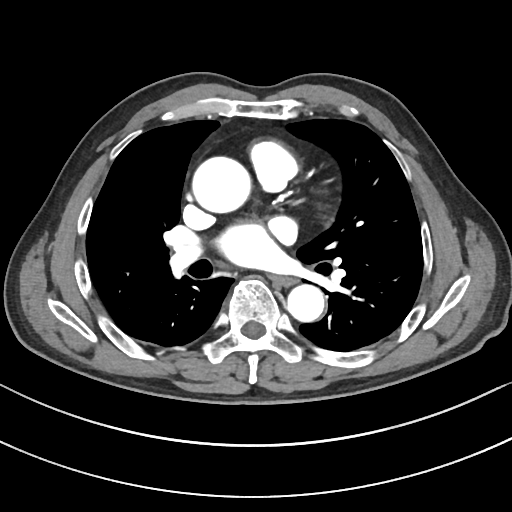 Lower-chest slice from an abdominal CT, just above the liver and spleen · axial view
The heart and lungs are never labeled in this dataset, so they have no box on this slice.
Organ boxes in pixel coordinates; each row gives the top-left (x1, y1) and bottom-right (x2, y2) corners.
| organ | x1 | y1 | x2 | y2 |
|---|---|---|---|---|
| esophagus | 273 | 276 | 297 | 286 |
| aorta | 191 | 156 | 249 | 213 |
| aorta | 287 | 285 | 324 | 322 |